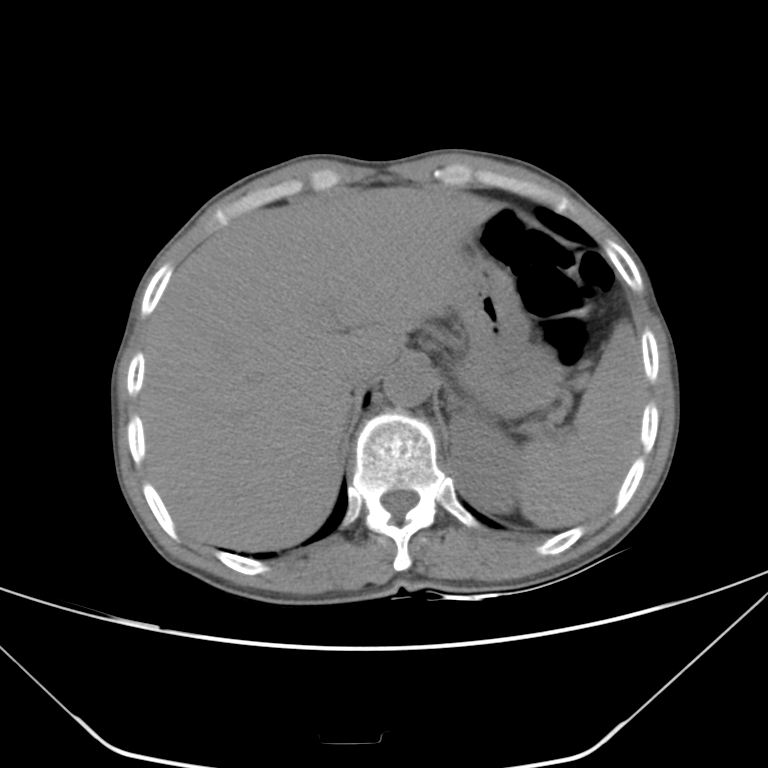

Computed tomography, abdomen; axial view
Each box given as x1,y1,x2,y2.
Organ bounding boxes:
- inferior vena cava: x1=347, y1=357, x2=386, y2=386
- stomach: x1=453, y1=252, x2=561, y2=415
- liver: x1=141, y1=188, x2=490, y2=551
- left kidney: x1=449, y1=413, x2=521, y2=512
- aorta: x1=384, y1=359, x2=433, y2=406
- spleen: x1=518, y1=320, x2=646, y2=527
- left adrenal gland: x1=448, y1=394, x2=472, y2=412